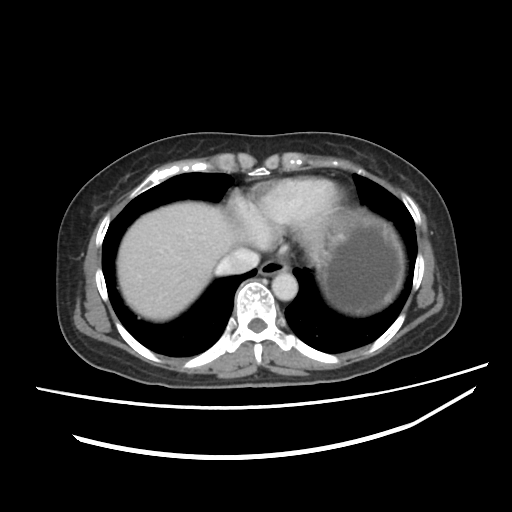

CT abdomen. Axial slice 84/118. soft-tissue window. Aquilion ONE scanner
Bounding boxes as [x1, y1, x2, y2] in pixel coordinates.
Organ bounding boxes:
- inferior vena cava: [214, 248, 259, 275]
- stomach: [316, 209, 404, 316]
- liver: [117, 201, 241, 321]
- aorta: [271, 272, 297, 300]
- esophagus: [259, 259, 288, 276]